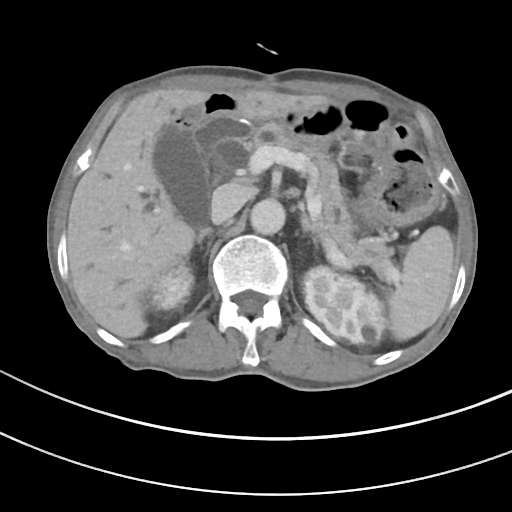 Computed tomography, abdomen. axial view. W/L 400/40 HU
Bounding boxes as [x1, y1, x2, y2] in pixel coordinates.
Organ bounding boxes:
- spleen: [387, 226, 454, 340]
- right kidney: [142, 264, 193, 309]
- left kidney: [304, 266, 385, 345]
- gall bladder: [153, 126, 208, 224]
- liver: [68, 89, 331, 337]
- stomach: [168, 125, 437, 223]
- aorta: [250, 199, 285, 235]
- inferior vena cava: [210, 185, 245, 224]
- pancreas: [252, 123, 393, 277]
- right adrenal gland: [196, 227, 213, 244]
- left adrenal gland: [301, 206, 319, 249]
- duodenum: [192, 115, 251, 159]